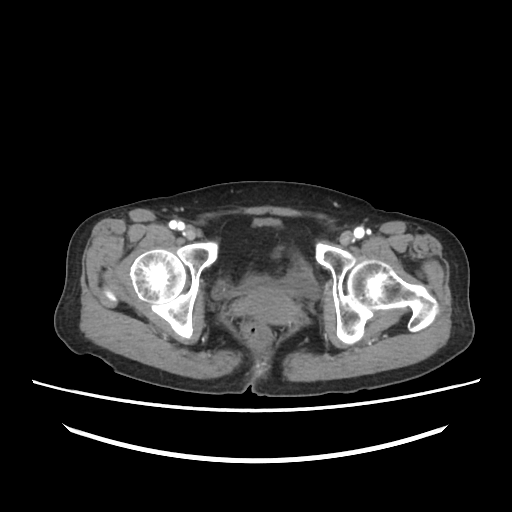

Computed tomography, abdomen — Axial slice 18/96
Bounding boxes as [x1, y1, x2, y2] in pixel coordinates. The annotated organs in this slice are: prostate/uterus at [236, 290, 299, 324], bladder at [229, 217, 318, 297].